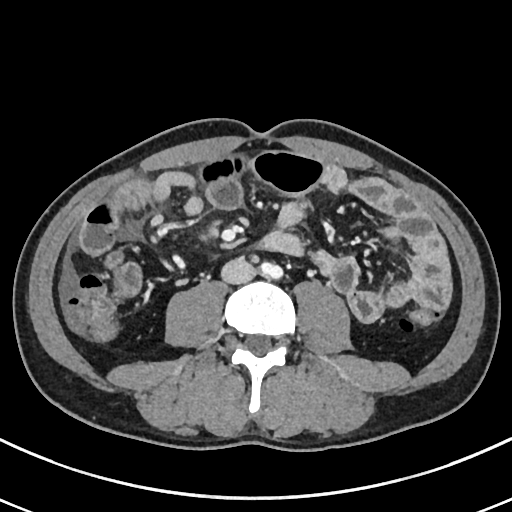 CT, abdomen/pelvis — axial view — SOMATOM Force scanner — 15 organs annotated in this scan (that count is for the whole scan; organs this slice misses have no box)
Bounding boxes in pixels, one row per box: x1, y1 is the top-left corner and x2, y2 the bottom-right.
| organ | x1 | y1 | x2 | y2 |
|---|---|---|---|---|
| inferior vena cava | 221 | 258 | 255 | 283 |